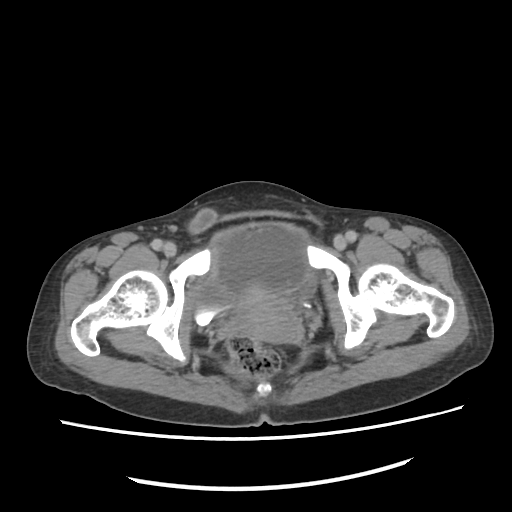 CT abdomen. axial view. soft-tissue window. 512x512 px
<organs><organ name="bladder" x1="192" y1="258" x2="316" y2="324"/><organ name="prostate/uterus" x1="230" y1="286" x2="301" y2="344"/></organs>